Abdominal CT — Axial slice 62/87 — abdomen soft-tissue window — 768x768 px — 45-year-old male patient — Brilliance16 scanner
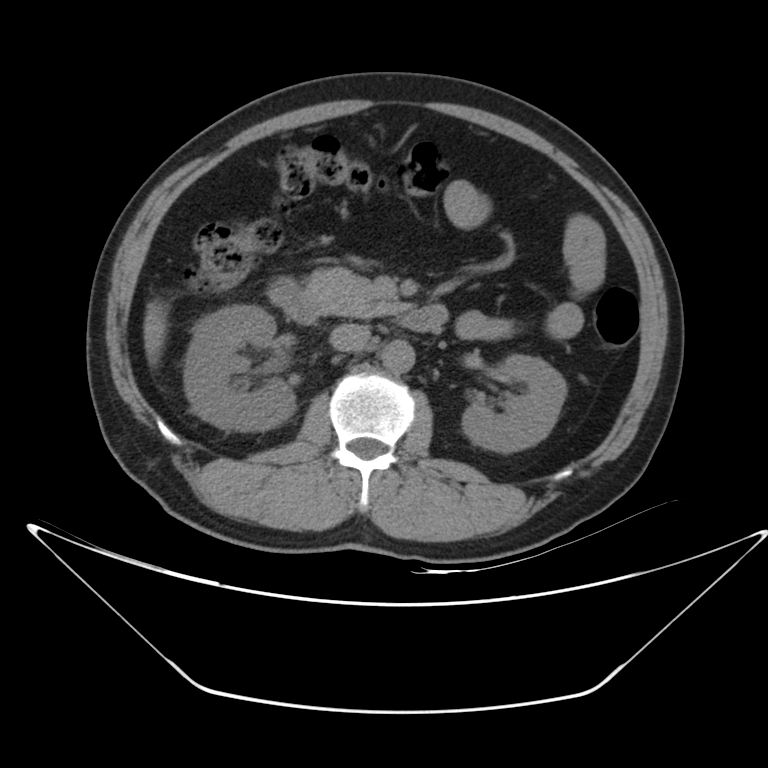
{"organs":{"right kidney":[184,305,295,430],"left kidney":[462,355,567,453],"liver":[143,299,167,365],"aorta":[381,339,415,373],"inferior vena cava":[330,323,370,351],"pancreas":[305,267,397,316],"duodenum":[270,278,448,332]}}